Abdominal CT. axial view. abdomen soft-tissue window. Aquilion ONE scanner
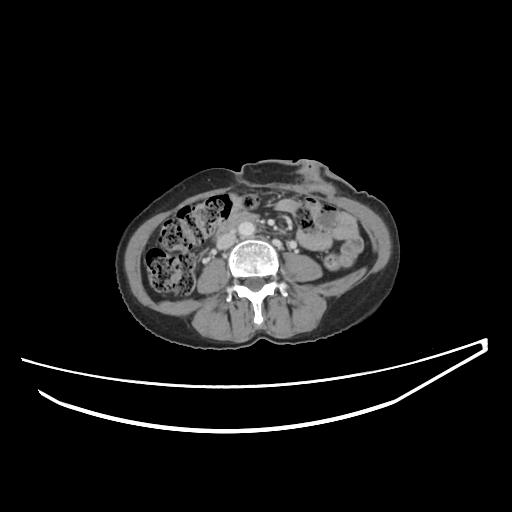 Box edges are left/top/right/bottom in pixels.
aorta: left=238, top=222, right=255, bottom=236
inferior vena cava: left=217, top=232, right=235, bottom=249
duodenum: left=217, top=214, right=253, bottom=234